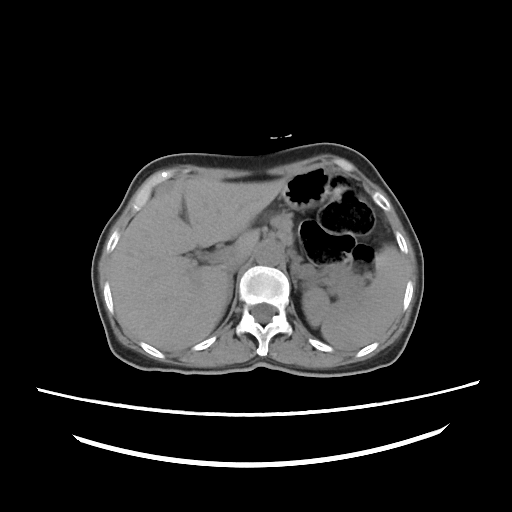 Computed tomography, abdomen; axial plane, index 64; 512x512 px; Aquilion ONE scanner
Boxes: x1 y1 x2 y2 (pixel coords, space-separated). Labeled organs on this slice: liver at 110 176 286 351, stomach at 282 167 366 298, spleen at 302 245 406 349, right adrenal gland at 227 276 233 304, aorta at 255 242 282 265, pancreas at 270 212 316 279, left adrenal gland at 292 271 296 288, inferior vena cava at 225 255 248 274.